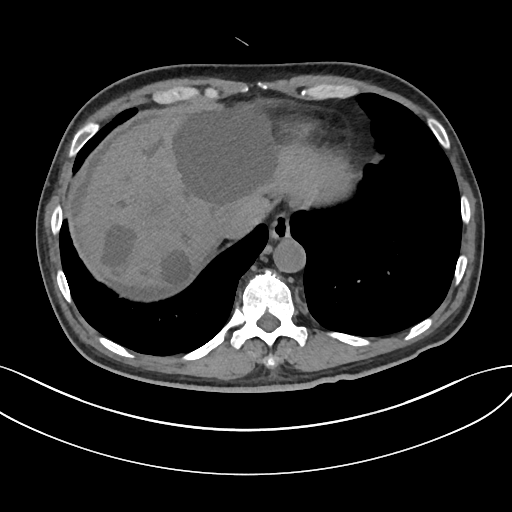 Computed tomography, abdomen. axial view
{"organs":{"esophagus":[269,215,290,241],"liver":[77,110,350,288],"aorta":[274,238,306,273],"inferior vena cava":[214,203,252,236]}}